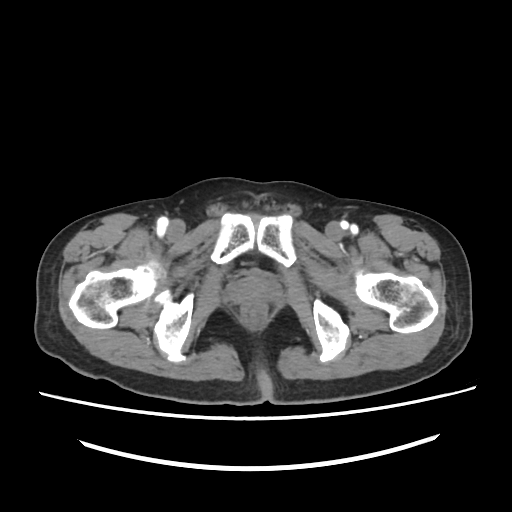
Abdominal CT — axial view — soft-tissue window — 65-year-old male patient
Coordinates as <box>x1,y1,x2,y2</box> in pixels.
prostate/uterus: <box>230,276,276,306</box>